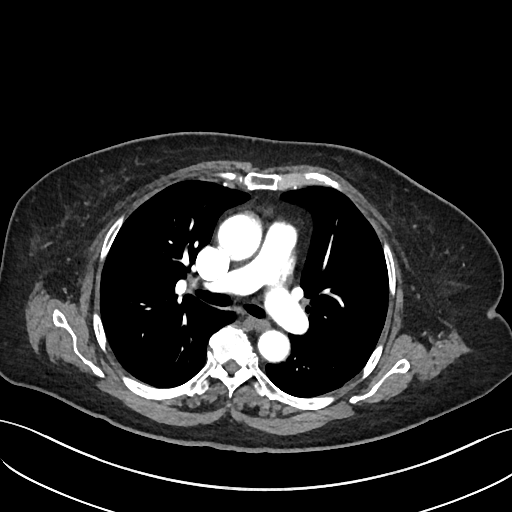 Chest-level CT slice, above the liver and spleen. axial view
At this level of the chest this dataset labels only the esophagus and the aorta, and each is boxed only where it is labeled; the heart and lungs are never labeled. Coordinates as <box>x1,y1,x2,y2</box> in pixels. 2 labeled organs on this slice — aorta at <box>218,213,262,259</box>; aorta at <box>258,330,289,361</box>; esophagus at <box>251,318,268,329</box>.